CT, abdomen/pelvis; axial view; 768x768 px
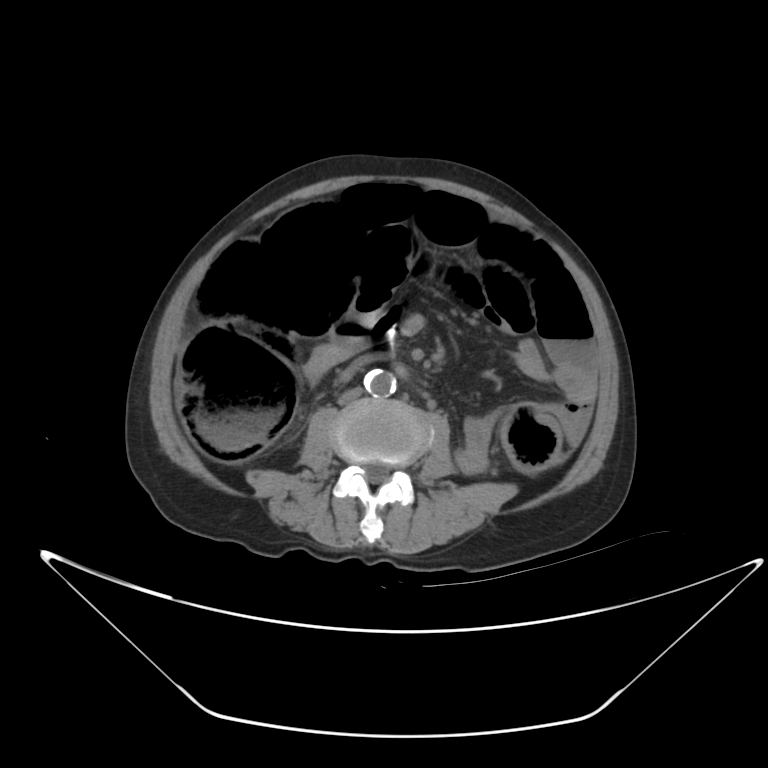

Each box given as x1,y1,x2,y2.
aorta: x1=364, y1=369, x2=396, y2=396
inferior vena cava: x1=338, y1=387, x2=363, y2=405